Computed tomography, abdomen — axial plane, index 181 — abdomen soft-tissue window — 512x512 px — acquired on SOMATOM Force
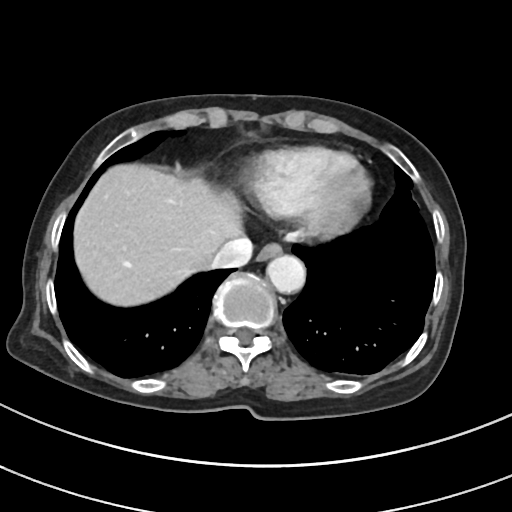

Boxes: x1:y1:x2:y2 in pixels. The annotated organs in this slice are: inferior vena cava at 211:237:251:269, esophagus at 257:241:282:260, aorta at 265:254:304:292, liver at 73:164:244:305.